CT, abdomen/pelvis — axial view — 50-year-old male patient — 14 organs annotated in this scan (counted over the whole 3D scan, not this slice; an organ is boxed only where this slice passes through it)
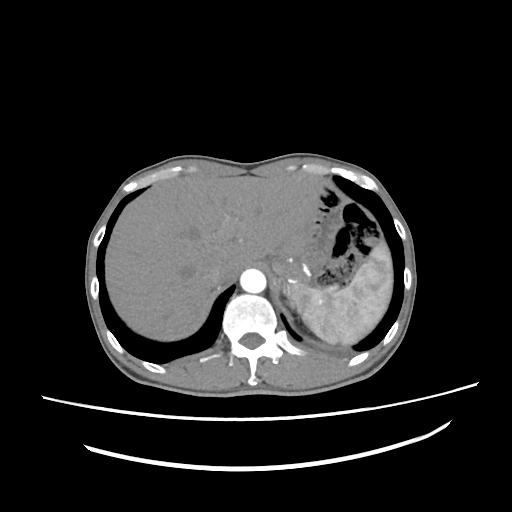 {"organs":{"inferior vena cava":[202,261,230,285],"liver":[105,173,319,340],"spleen":[291,242,393,344],"aorta":[240,269,266,293]}}